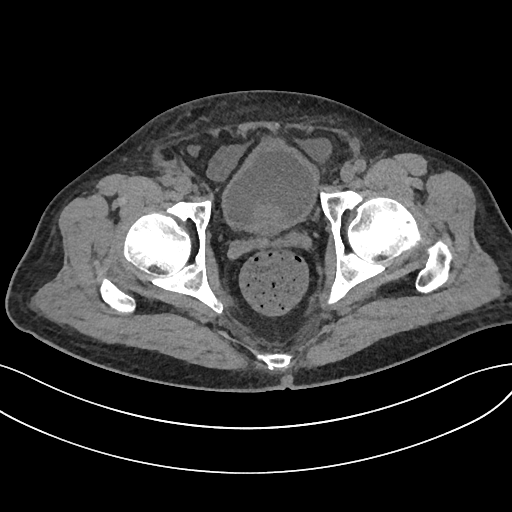 Computed tomography, abdomen · Axial slice 25/213 · soft-tissue window · 512x512 px
{"organs":{"bladder":[223,143,316,228],"prostate/uterus":[252,206,284,235]}}